Computed tomography, abdomen — axial plane, index 46
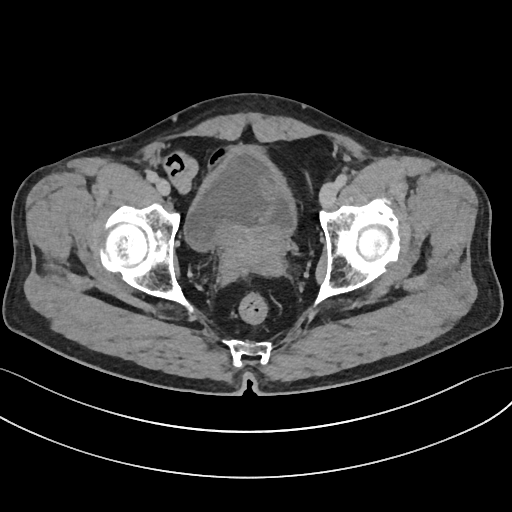
One row per box, in pixels: columns x1 and y1 give the top-left corner, x2 and y2 the bottom-right.
| organ | x1 | y1 | x2 | y2 |
|---|---|---|---|---|
| prostate/uterus | 216 | 223 | 285 | 272 |
| bladder | 184 | 148 | 296 | 250 |